Abdominal CT; this slice is in the lower chest, just above the liver; Axial slice 196/198; soft-tissue window (W 400 / L 40); 512x512 px
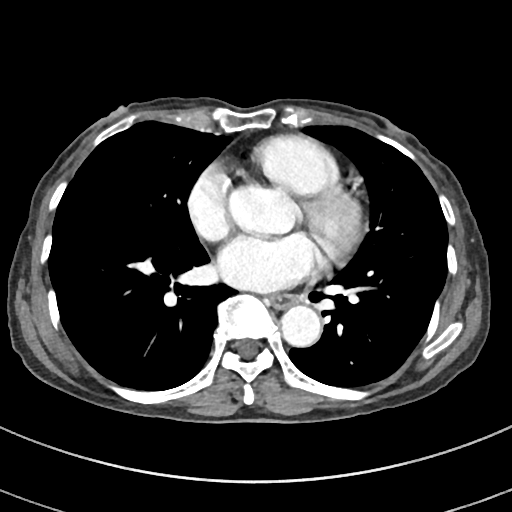
The heart and lungs are never labeled in this dataset, so they have no box on this slice.
<organs><organ name="aorta" x1="229" y1="184" x2="297" y2="237"/><organ name="aorta" x1="280" y1="306" x2="321" y2="347"/><organ name="esophagus" x1="270" y1="294" x2="295" y2="308"/></organs>